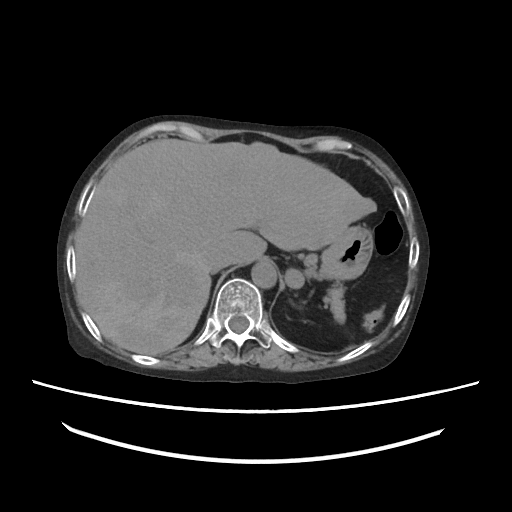

Computed tomography, abdomen. axial view. abdomen soft-tissue window. 61-year-old female patient
Bounding boxes as [x1, y1, x2, y2] in pixel coordinates.
liver: [75, 139, 376, 355]
stomach: [318, 226, 373, 280]
aorta: [251, 262, 276, 288]
inferior vena cava: [207, 254, 230, 273]
pancreas: [327, 284, 345, 322]